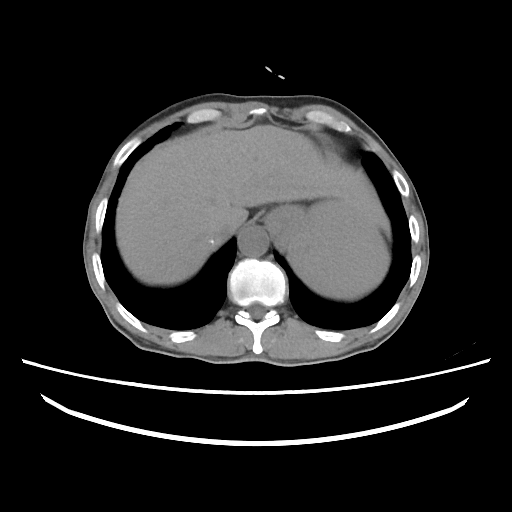
CT, abdomen/pelvis; axial view; W/L 400/40 HU; 54-year-old male patient; scan has 15 labeled organs (counted over the whole 3D scan, not this slice; an organ is boxed only where this slice passes through it)
<organs><organ name="spleen" x1="287" y1="200" x2="390" y2="298"/><organ name="inferior vena cava" x1="218" y1="222" x2="241" y2="237"/><organ name="liver" x1="114" y1="125" x2="388" y2="283"/><organ name="aorta" x1="237" y1="226" x2="268" y2="256"/><organ name="stomach" x1="266" y1="200" x2="318" y2="251"/></organs>